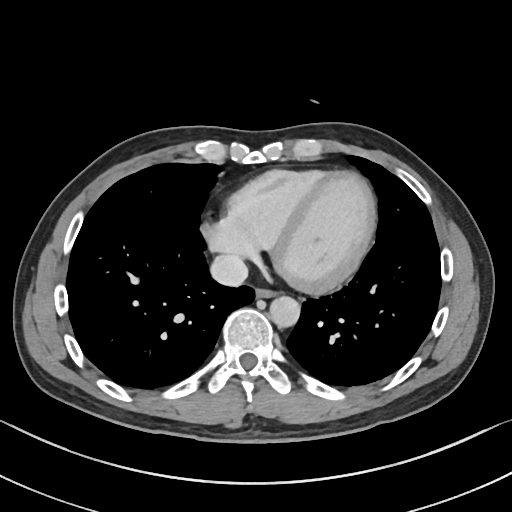

Lower-chest slice from an abdominal CT, just above the liver and spleen. axial view. scan has 15 labeled organs (that count is for the whole scan; organs this slice misses have no box)
The heart and lungs are never labeled in this dataset, so they have no box on this slice.
Boxes: x1:y1:x2:y2 in pixels.
Organ bounding boxes:
- esophagus: 256:287:277:297
- aorta: 270:296:299:327
- inferior vena cava: 212:254:248:287